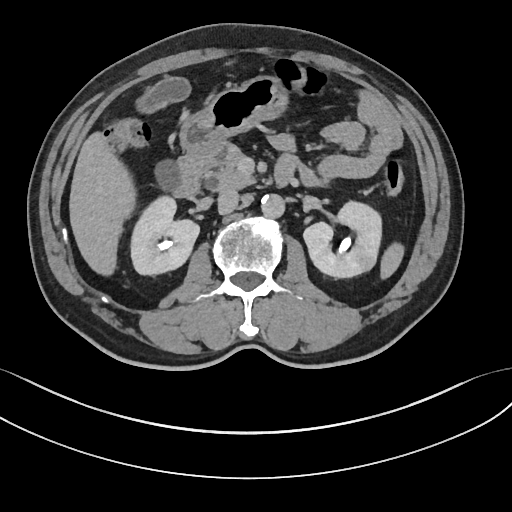

CT abdomen · axial view · SOMATOM Force scanner
Each box given as x1,y1,x2,y2.
Organ bounding boxes:
- left kidney: x1=303, y1=199, x2=383, y2=278
- stomach: x1=180, y1=74, x2=288, y2=157
- pancreas: x1=203, y1=145, x2=255, y2=191
- right kidney: x1=131, y1=196, x2=199, y2=276
- gall bladder: x1=134, y1=77, x2=190, y2=188
- liver: x1=69, y1=130, x2=135, y2=273
- aorta: x1=261, y1=195, x2=284, y2=218
- duodenum: x1=170, y1=146, x2=295, y2=198
- inferior vena cava: x1=216, y1=188, x2=239, y2=214
- spleen: x1=381, y1=243, x2=404, y2=280